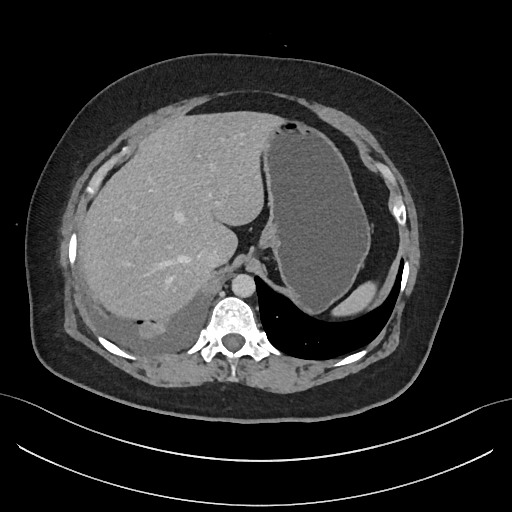 CT abdomen; axial view
{"organs":{"stomach":[261,117,371,314],"liver":[78,110,278,319],"inferior vena cava":[196,247,221,269],"aorta":[232,274,256,297],"spleen":[329,282,374,315]}}